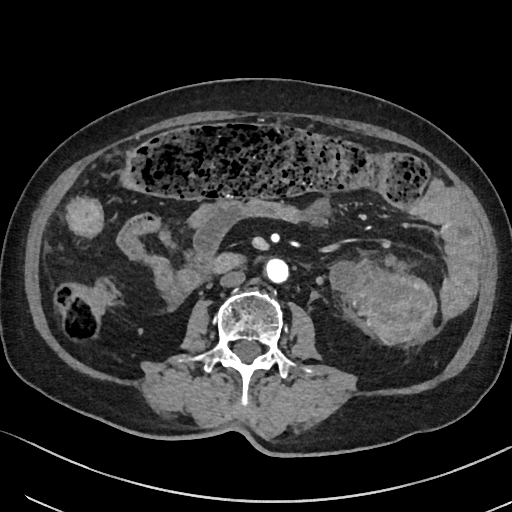
CT, abdomen/pelvis — axial view — 15 organs annotated in this scan (counted over the whole 3D scan, not this slice; an organ is boxed only where this slice passes through it)
{"organs":{"inferior vena cava":[219,271,245,287],"duodenum":[207,251,247,274],"aorta":[266,259,289,284]}}